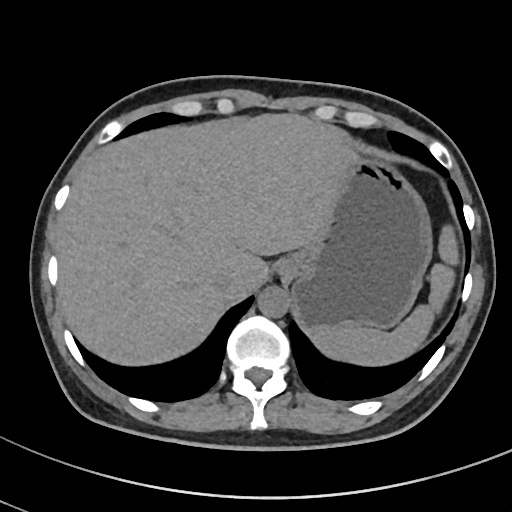
CT, abdomen/pelvis. axial view
Each box given as x1,y1,x2,y2.
aorta: x1=257, y1=287, x2=289, y2=318
spleen: x1=312, y1=227, x2=458, y2=365
liver: x1=54, y1=115, x2=357, y2=367
inferior vena cava: x1=214, y1=272, x2=233, y2=291
esophagus: x1=275, y1=258, x2=294, y2=277
stomach: x1=287, y1=158, x2=431, y2=330